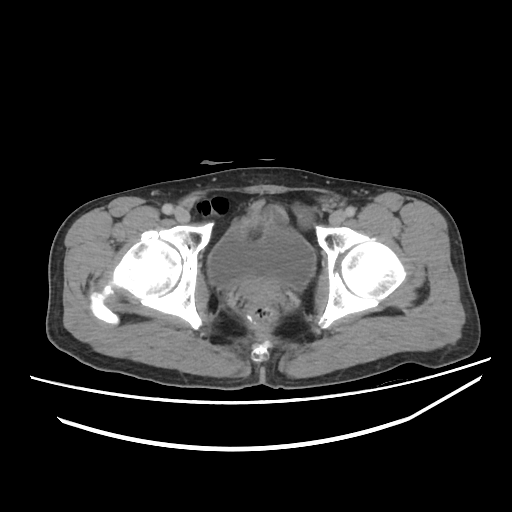
Abdominal CT · Axial slice 25/104 · soft-tissue window
{"organs":{"prostate/uterus":[244,277,282,306],"bladder":[206,223,314,288]}}